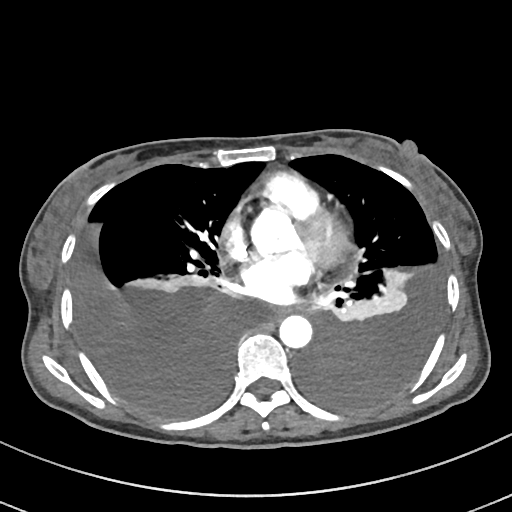
Lower-chest slice from an abdominal CT, just above the liver and spleen · axial view
The heart and lungs are never labeled in this dataset, so they have no box on this slice.
Box edges are left/top/right/bottom in pixels.
Organ bounding boxes:
- esophagus: left=270, top=307, right=293, bottom=317
- aorta: left=279, top=315, right=312, bottom=347